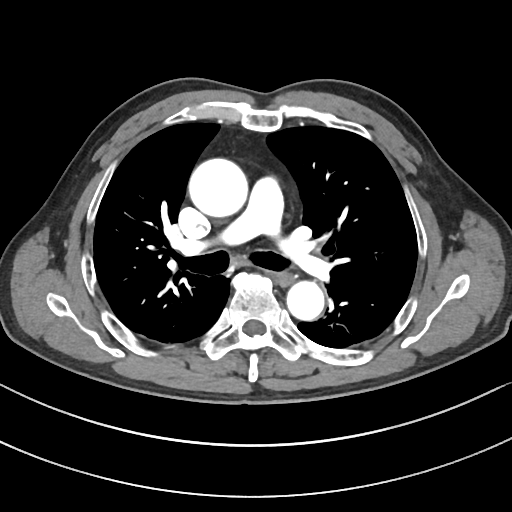

Chest-level CT slice, above the liver and spleen. axial view. 512x512 px. 15 organs annotated in this scan (that count is for the whole scan; organs this slice misses have no box)
On a slice this high in the chest, this dataset labels only the esophagus and the aorta, and each is boxed only where it is labeled; the heart, lungs and other chest structures are not labeled.
<organs><organ name="esophagus" x1="274" y1="271" x2="292" y2="284"/><organ name="aorta" x1="189" y1="159" x2="249" y2="217"/><organ name="aorta" x1="286" y1="279" x2="324" y2="320"/></organs>